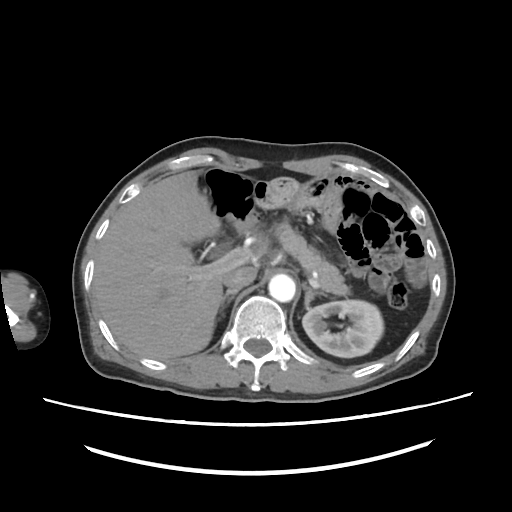

CT abdomen; Axial slice 78/132; W/L 400/40 HU; 512x512 px; acquired on Aquilion ONE
<organs><organ name="left kidney" x1="302" y1="299" x2="383" y2="357"/><organ name="gall bladder" x1="209" y1="240" x2="233" y2="259"/><organ name="liver" x1="92" y1="171" x2="229" y2="359"/><organ name="aorta" x1="269" y1="275" x2="296" y2="302"/><organ name="inferior vena cava" x1="222" y1="266" x2="257" y2="291"/><organ name="pancreas" x1="274" y1="221" x2="346" y2="293"/><organ name="right adrenal gland" x1="216" y1="292" x2="238" y2="314"/><organ name="left adrenal gland" x1="303" y1="284" x2="325" y2="305"/></organs>